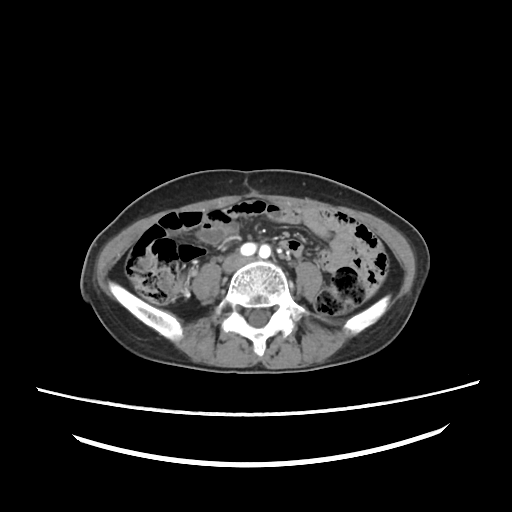

CT abdomen · axial view · soft-tissue window (W 400 / L 40) · 512x512 px · 58-year-old female patient
Boxes: x1:y1:x2:y2 in pixels. The annotated organs in this slice are: inferior vena cava at 220:255:246:273.